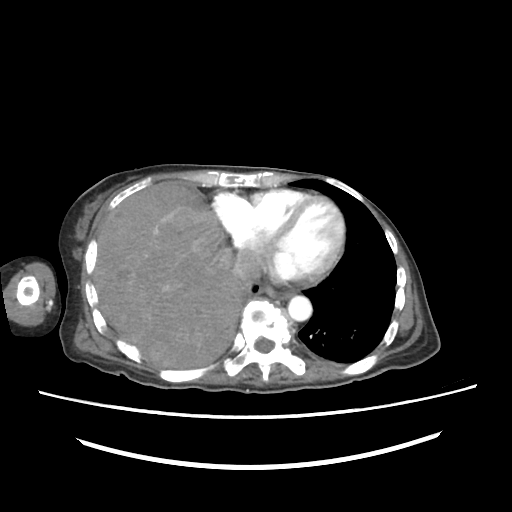
CT abdomen. axial view. abdomen soft-tissue window
Bounding boxes as [x1, y1, x2, y2] in pixel coordinates.
esophagus: [262, 287, 296, 298]
liver: [94, 183, 246, 368]
aorta: [287, 296, 312, 321]
inferior vena cava: [232, 251, 261, 286]